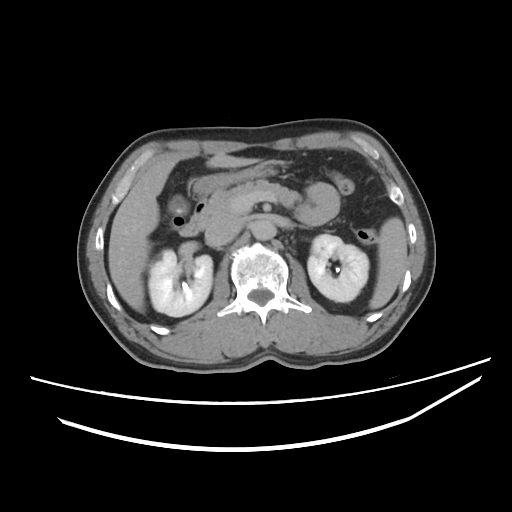
Computed tomography, abdomen; axial plane, index 75; soft-tissue window (W 400 / L 40); 58-year-old male patient; Aquilion ONE scanner
<organs><organ name="spleen" x1="370" y1="216" x2="407" y2="309"/><organ name="right kidney" x1="149" y1="248" x2="211" y2="316"/><organ name="left kidney" x1="306" y1="234" x2="369" y2="300"/><organ name="gall bladder" x1="168" y1="196" x2="186" y2="215"/><organ name="liver" x1="108" y1="155" x2="257" y2="311"/><organ name="stomach" x1="192" y1="161" x2="277" y2="196"/><organ name="aorta" x1="251" y1="220" x2="277" y2="240"/><organ name="inferior vena cava" x1="205" y1="218" x2="242" y2="247"/><organ name="pancreas" x1="209" y1="178" x2="306" y2="215"/><organ name="duodenum" x1="179" y1="197" x2="224" y2="236"/></organs>